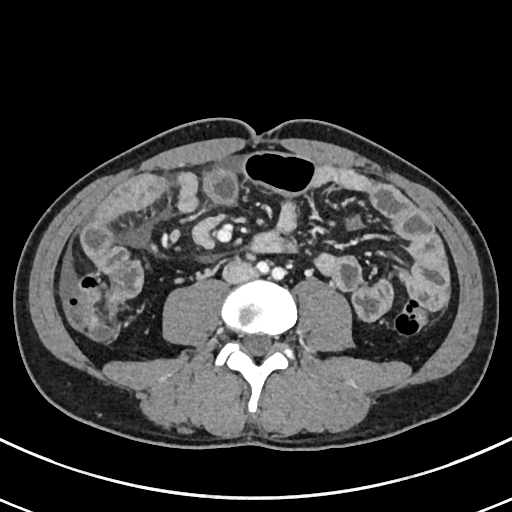 Computed tomography, abdomen · axial view · soft-tissue window (W 400 / L 40)
Bounding boxes as [x1, y1, x2, y2] in pixel coordinates. 1 labeled organ on this slice — inferior vena cava at [222, 260, 254, 283].